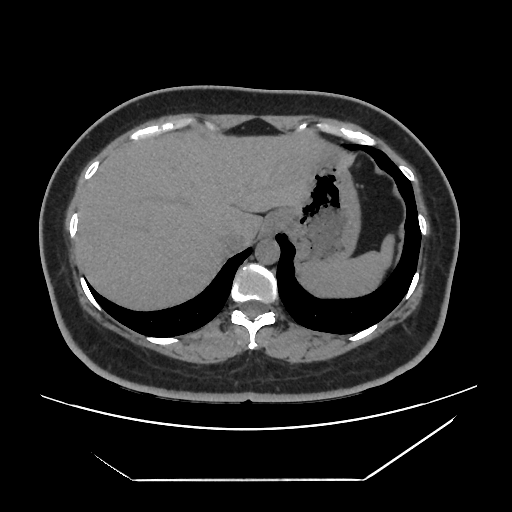
Abdominal CT; axial view; soft-tissue window
Box edges are left/top/right/bottom in pixels. The annotated organs in this slice are: spleen at left=301, top=236, right=392, bottom=296, esophagus at left=261, top=211, right=284, bottom=236, liver at left=76, top=132, right=329, bottom=308, stomach at left=282, top=148, right=359, bottom=265, aorta at left=255, top=239, right=279, bottom=264, inferior vena cava at left=220, top=226, right=254, bottom=251.